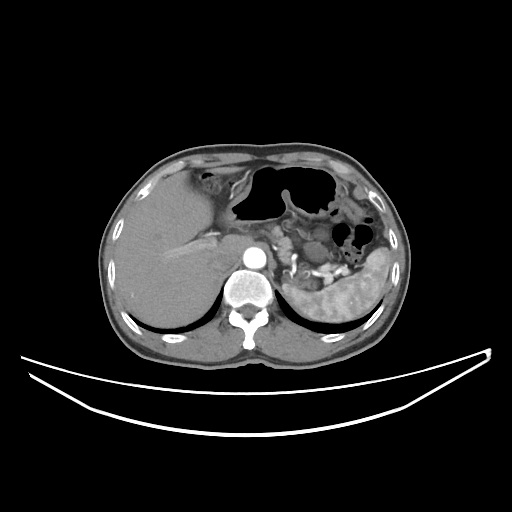
CT abdomen. axial view. W/L 400/40 HU. 62-year-old male patient. scan has 15 labeled organs (counted over the whole 3D scan, not this slice; an organ is boxed only where this slice passes through it)
Boxes are (x1, y1, x2, y2) in pixels. Labeled organs on this slice: spleen at (282, 247, 390, 322), liver at (115, 166, 251, 327), stomach at (224, 164, 341, 224), aorta at (243, 247, 265, 269), inferior vena cava at (210, 252, 236, 271), pancreas at (267, 225, 291, 263).